Abdominal CT reaching into the chest; this slice is in the chest · axial view · soft-tissue window, W/L 400/40 · 512x512 px · acquired on SOMATOM Force
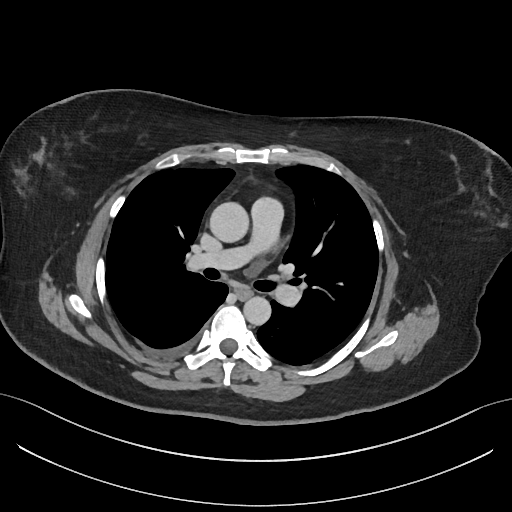 At this level of the chest no structure but the esophagus and the aorta has a label in this dataset, and those two are boxed only where they are labeled.
One row per box, in pixels: columns x1 and y1 give the top-left corner, x2 and y2 the bottom-right.
| organ | x1 | y1 | x2 | y2 |
|---|---|---|---|---|
| esophagus | 236 | 287 | 252 | 298 |
| aorta | 209 | 202 | 249 | 242 |
| aorta | 243 | 296 | 271 | 325 |